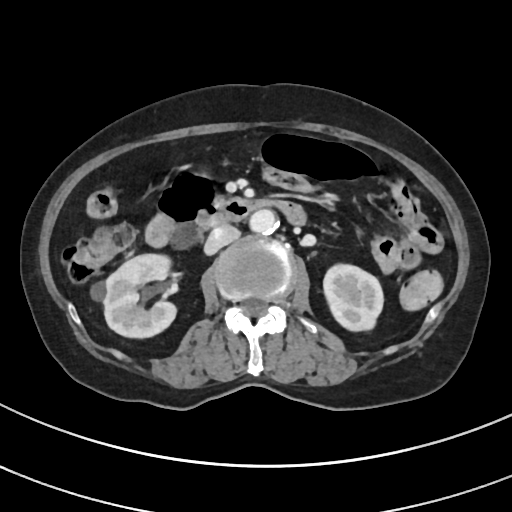 CT abdomen. Axial slice 122/284. SOMATOM Force scanner
Organ boxes in pixel coordinates; each row gives the top-left (x1, y1) and bottom-right (x2, y2) corners.
| organ | x1 | y1 | x2 | y2 |
|---|---|---|---|---|
| right kidney | 92 | 252 | 175 | 337 |
| left kidney | 324 | 265 | 382 | 332 |
| aorta | 251 | 208 | 279 | 234 |
| inferior vena cava | 205 | 224 | 241 | 253 |
| duodenum | 146 | 172 | 306 | 248 |